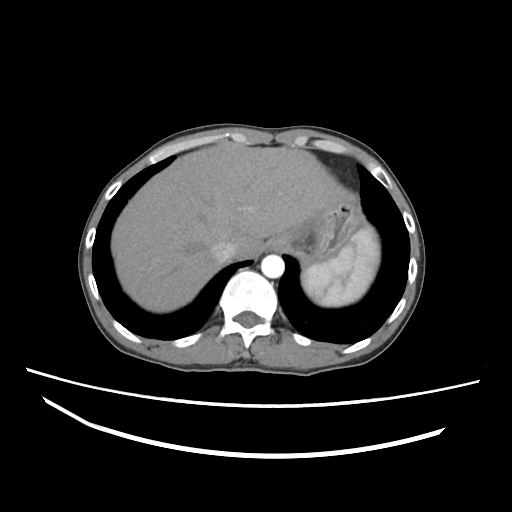 CT, abdomen/pelvis; Axial slice 89/140; soft-tissue window (W 400 / L 40); 40-year-old male patient; Aquilion ONE scanner
Coordinates as <box>x1,y1,x2,y2</box> in pixels. The annotated organs in this slice are: spleen at <box>302,226,379,306</box>, esophagus at <box>267,239,284,251</box>, liver at <box>111,143,343,312</box>, stomach at <box>272,193,361,260</box>, aorta at <box>261,254,284,278</box>, inferior vena cava at <box>211,239,237,262</box>.